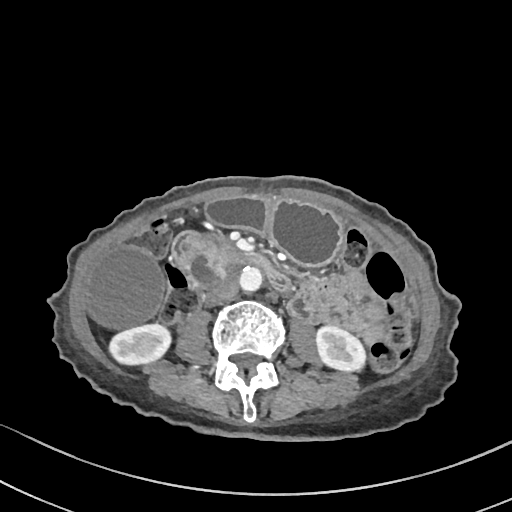

CT abdomen; Axial slice 148/236; 512x512 px
Bounding boxes as [x1, y1, x2, y2] in pixel coordinates. 8 labeled organs on this slice — stomach at [205, 197, 342, 265]; gall bladder at [84, 246, 165, 328]; left kidney at [317, 326, 365, 371]; aorta at [239, 266, 262, 290]; inferior vena cava at [206, 277, 237, 304]; right kidney at [110, 325, 169, 363]; duodenum at [171, 232, 289, 290]; pancreas at [180, 231, 246, 270].